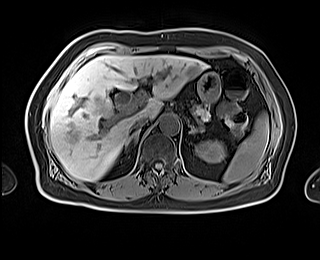 Magnetic resonance imaging, abdomen · axial view · 1st–99th percentile window · 320x260 px · scan has 13 labeled organs (counted over the whole 3D scan, not this slice; an organ is boxed only where this slice passes through it)
<organs><organ name="left adrenal gland" x1="190" y1="125" x2="202" y2="134"/><organ name="spleen" x1="223" y1="112" x2="268" y2="183"/><organ name="right adrenal gland" x1="126" y1="129" x2="139" y2="147"/><organ name="aorta" x1="159" y1="114" x2="179" y2="134"/><organ name="inferior vena cava" x1="130" y1="116" x2="149" y2="131"/><organ name="liver" x1="49" y1="55" x2="207" y2="181"/><organ name="stomach" x1="197" y1="72" x2="220" y2="102"/><organ name="left kidney" x1="195" y1="140" x2="225" y2="162"/><organ name="pancreas" x1="191" y1="100" x2="209" y2="120"/></organs>